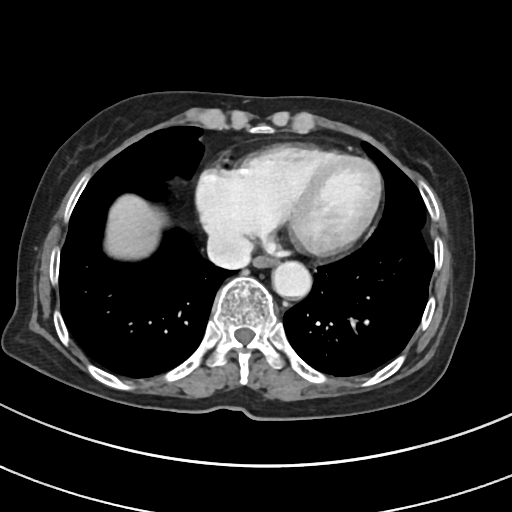
Computed tomography, abdomen. Axial slice 190/284
{"organs":{"esophagus":[253,257,275,268],"liver":[106,195,158,257],"aorta":[273,262,312,298],"inferior vena cava":[207,230,253,267]}}